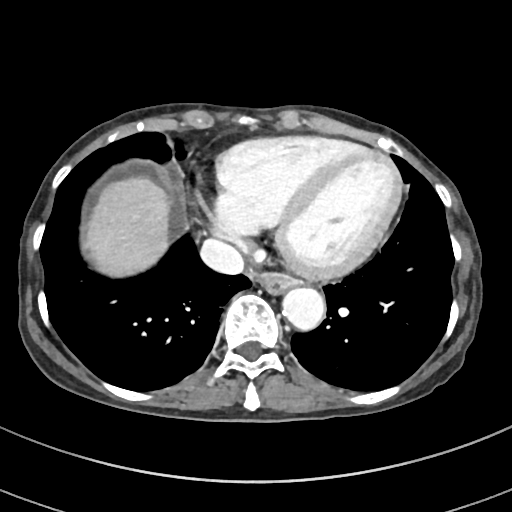
Computed tomography, abdomen. Axial slice 176/198. abdomen soft-tissue window. 512x512 px. SOMATOM Force scanner
Box edges are left/top/right/bottom in pixels.
esophagus: left=255, top=273, right=297, bottom=295
liver: left=88, top=178, right=169, bottom=274
aorta: left=282, top=288, right=325, bottom=331
inferior vena cava: left=201, top=239, right=243, bottom=274